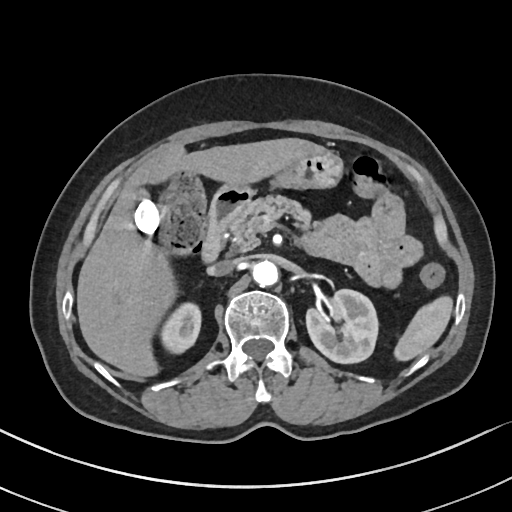

Computed tomography, abdomen. axial plane, index 149
Each box given as x1,y1,x2,y2.
Organ bounding boxes:
- spleen: x1=395, y1=295, x2=454, y2=361
- liver: x1=76, y1=138, x2=326, y2=376
- left kidney: x1=305, y1=289, x2=378, y2=363
- inferior vena cava: x1=208, y1=260, x2=237, y2=275
- pancreas: x1=232, y1=194, x2=317, y2=250
- stomach: x1=276, y1=151, x2=343, y2=189
- right kidney: x1=160, y1=303, x2=201, y2=351
- gall bladder: x1=133, y1=190, x2=160, y2=234
- aorta: x1=252, y1=260, x2=279, y2=286
- duodenum: x1=202, y1=186, x2=251, y2=260